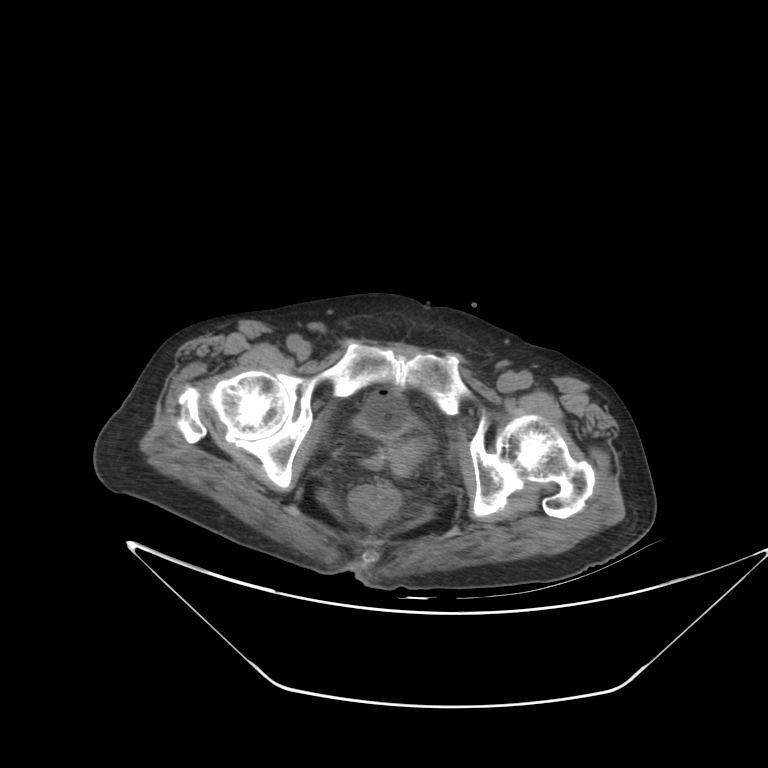 CT, abdomen/pelvis. Axial slice 18/105. 768x768 px
Coordinates as <box>x1,y1,x2,y2</box> in pixels. Labeled organs on this slice: bladder at <box>357,391,419,436</box>, prostate/uterus at <box>394,439,422,460</box>.